Computed tomography, abdomen · axial view · W/L 400/40 HU · acquired on SOMATOM Force
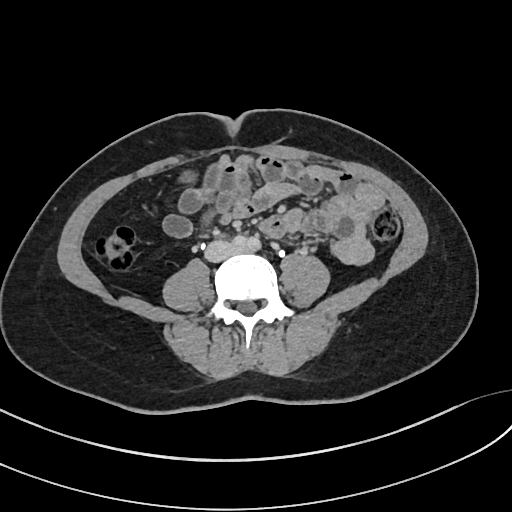
Box edges are left/top/right/bottom in pixels.
inferior vena cava: left=204, top=240, right=236, bottom=261